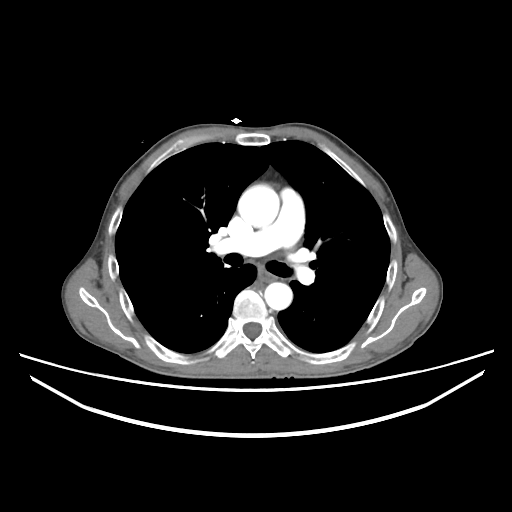
CT of the abdomen extending into the chest, slice through the chest — axial view — soft-tissue window (W 400 / L 40) — 512x512 px — 50-year-old male patient
At this level of the chest this dataset labels only the esophagus and the aorta, and each is boxed only where it is labeled; the heart and lungs are never labeled.
{"organs":{"aorta":[[238,185,279,227],[264,282,292,310]],"esophagus":[258,270,276,282]}}